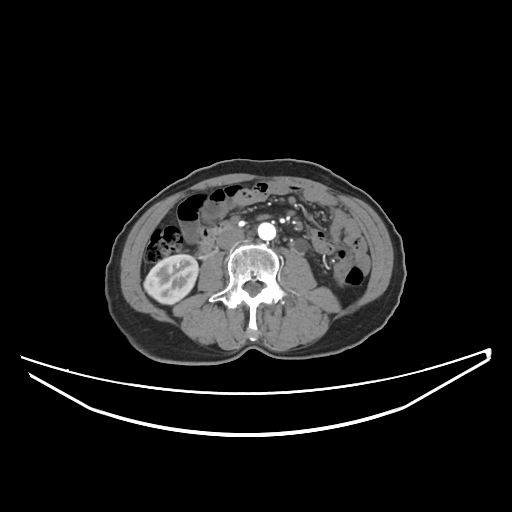

CT abdomen. axial view. 512x512 px. 62-year-old male patient
Box edges are left/top/right/bottom in pixels.
Organ bounding boxes:
- right kidney: left=144, top=254, right=198, bottom=304
- aorta: left=257, top=222, right=275, bottom=240
- inferior vena cava: left=217, top=229, right=244, bottom=249
- duodenum: left=200, top=224, right=232, bottom=250